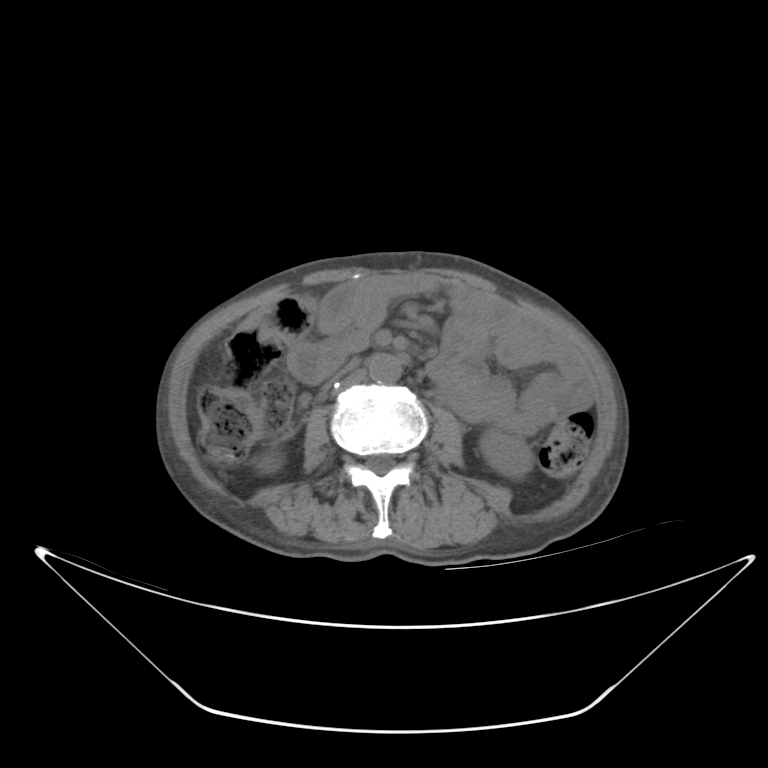

Computed tomography, abdomen; Axial slice 55/95; W/L 400/40 HU; 768x768 px; Brilliance16 scanner
Boxes: x1 y1 x2 y2 (pixel coords, space-separated).
Organ bounding boxes:
- right kidney: 255 452 279 473
- left kidney: 481 430 531 475
- aorta: 369 353 401 383
- inferior vena cava: 330 368 366 396